CT, abdomen/pelvis; axial view; SOMATOM Force scanner; scan has 15 labeled organs (that count is for the whole scan; organs this slice misses have no box)
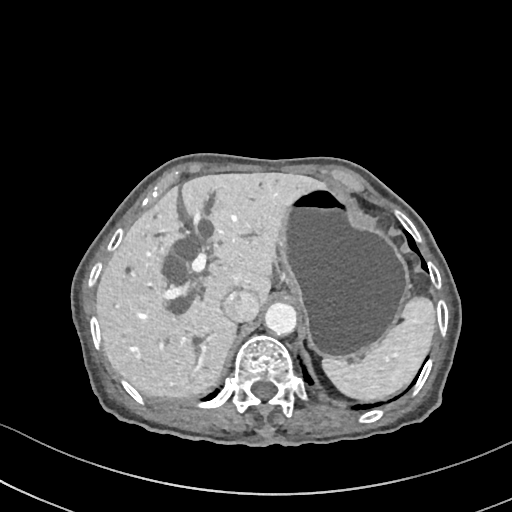
Boxes: x1:y1:x2:y2 in pixels. 5 labeled organs on this slice — spleen at 322:295:434:400; liver at 96:172:326:398; stomach at 277:186:410:361; aorta at 265:303:296:335; inferior vena cava at 222:291:259:322.